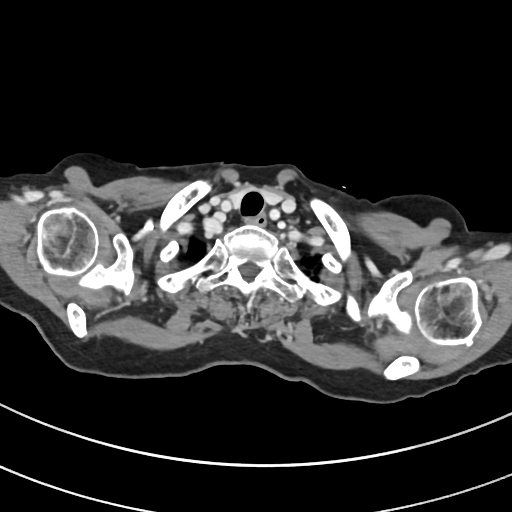
Chest-level CT slice, above the liver and spleen — axial view — acquired on SOMATOM Force
On a slice this high in the chest, this dataset labels only the esophagus and the aorta, and each is boxed only where it is labeled; the heart, lungs and other chest structures are not labeled.
<organs><organ name="esophagus" x1="249" y1="212" x2="268" y2="227"/></organs>